Computed tomography, abdomen — axial view — acquired on SOMATOM Force
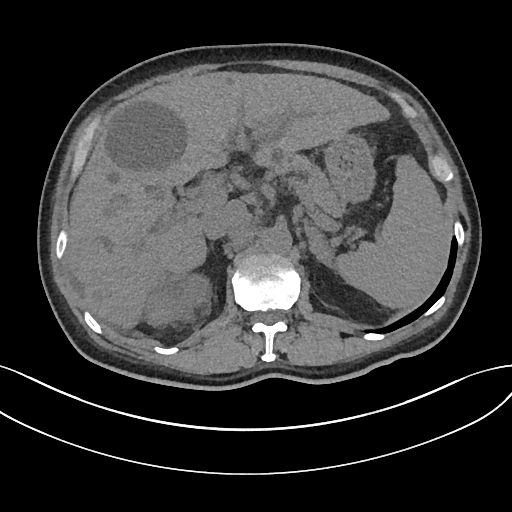
Bounding boxes as [x1, y1, x2, y2] in pixel coordinates. The annotated organs in this slice are: spleen at [333, 157, 450, 308], right kidney at [185, 277, 206, 299], liver at [65, 71, 391, 328], stomach at [325, 135, 377, 204], aorta at [262, 228, 291, 255], inferior vena cava at [200, 203, 242, 239], pancreas at [289, 158, 341, 215], left adrenal gland at [305, 223, 332, 268].